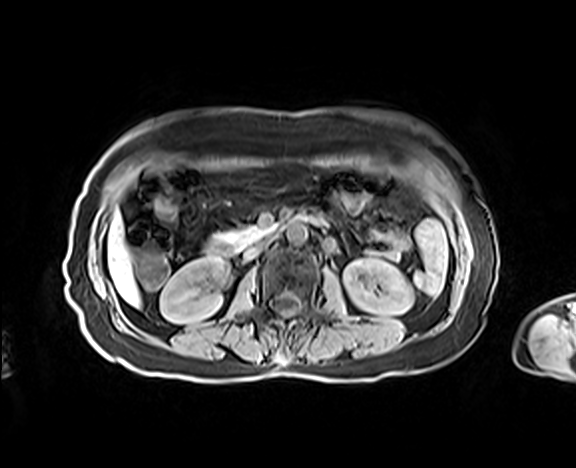
Magnetic resonance imaging, abdomen — axial view — 576x468 px — 12 organs annotated in this scan (a whole-scan count: organs this slice does not pass through have no box)
<organs><organ name="right kidney" x1="160" y1="257" x2="229" y2="323"/><organ name="left kidney" x1="344" y1="259" x2="413" y2="314"/><organ name="liver" x1="108" y1="213" x2="140" y2="306"/><organ name="aorta" x1="286" y1="222" x2="307" y2="244"/><organ name="inferior vena cava" x1="244" y1="237" x2="273" y2="260"/><organ name="pancreas" x1="212" y1="226" x2="268" y2="246"/><organ name="duodenum" x1="204" y1="208" x2="318" y2="256"/></organs>